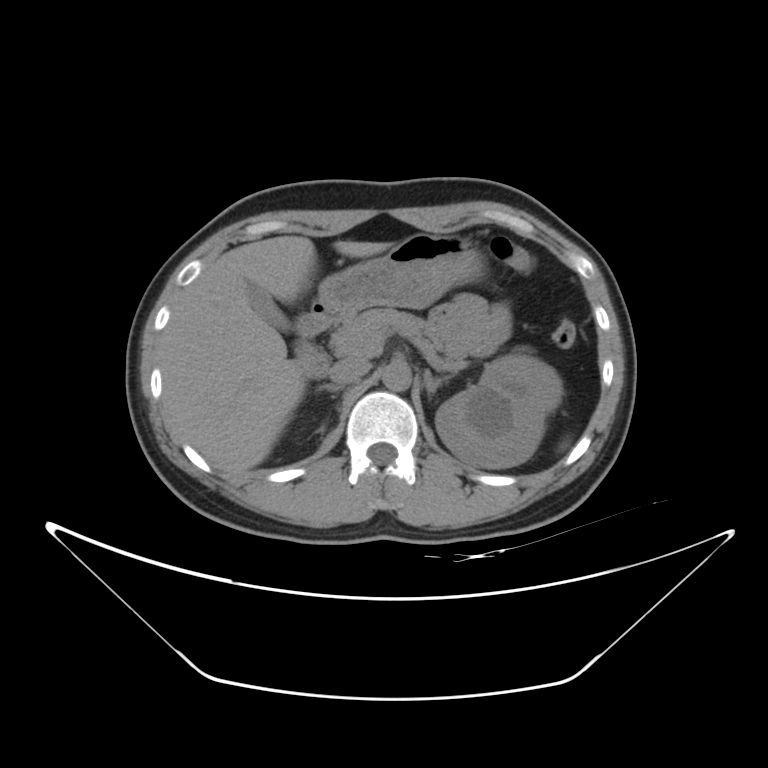
CT abdomen — axial view — soft-tissue window
Boxes: x1:y1:x2:y2 in pixels.
left kidney: 435:356:562:469
gall bladder: 247:283:289:331
liver: 159:236:391:474
stomach: 316:232:482:320
aorta: 382:363:411:391
inferior vena cava: 329:359:368:385
pancreas: 330:308:466:371
right adrenal gland: 316:383:342:393
left adrenal gland: 425:370:451:397
duodenum: 296:302:336:377